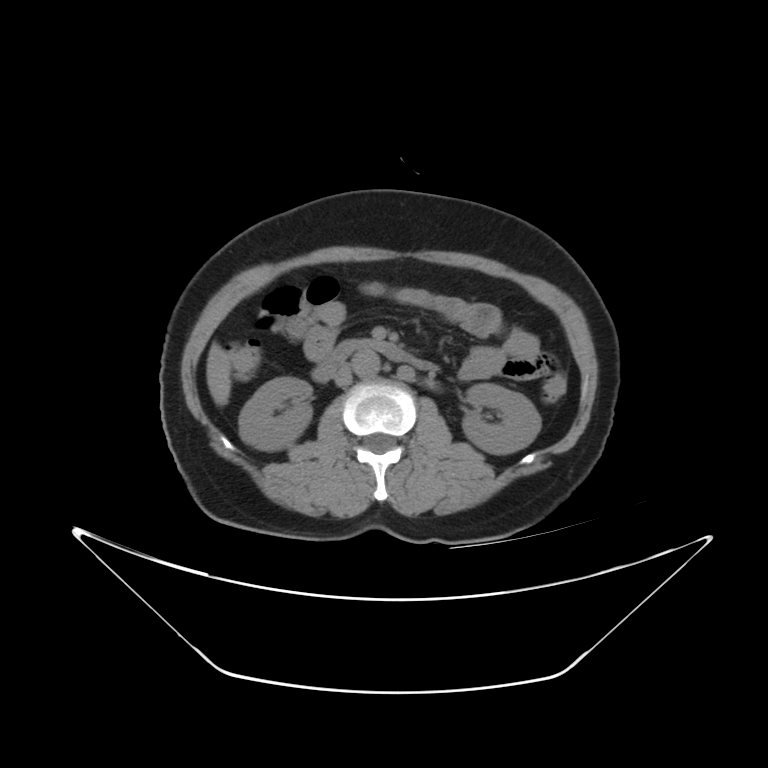

CT, abdomen/pelvis — axial view — 768x768 px
One row per box, in pixels: columns x1 and y1 give the top-left corner, x2 and y2 the bottom-right.
| organ | x1 | y1 | x2 | y2 |
|---|---|---|---|---|
| inferior vena cava | 333 | 359 | 350 | 388 |
| right kidney | 237 | 377 | 311 | 450 |
| liver | 204 | 342 | 231 | 401 |
| left kidney | 461 | 385 | 539 | 453 |
| duodenum | 314 | 338 | 437 | 380 |
| aorta | 350 | 351 | 379 | 379 |